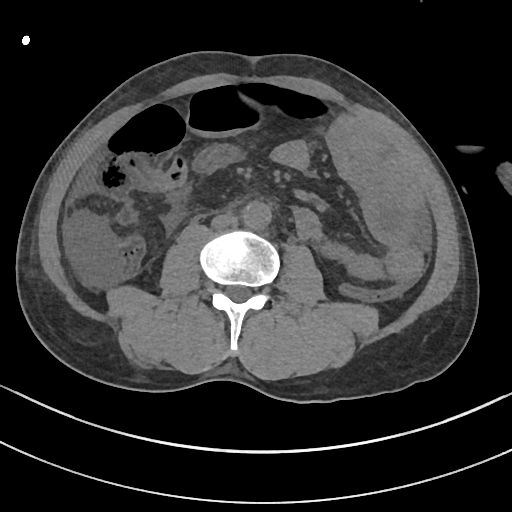 CT, abdomen/pelvis; Axial slice 128/252; 512x512 px; acquired on SOMATOM Force; 15 organs annotated in this scan (a whole-scan count: organs this slice does not pass through have no box)
{"organs":{"inferior vena cava":[211,214,237,229],"aorta":[243,202,271,229]}}